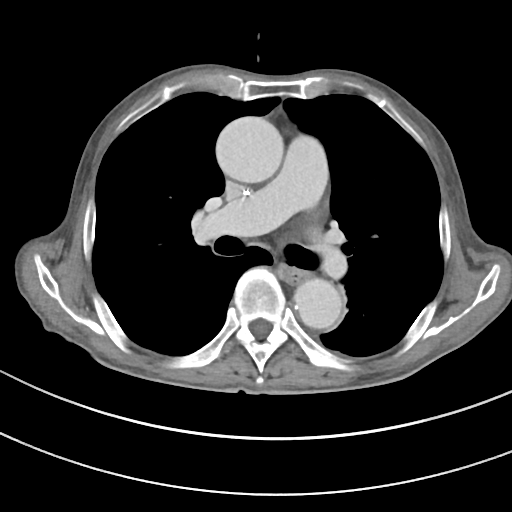 Chest-level CT slice, above the liver and spleen; Axial slice 94/122; soft-tissue window; acquired on SOMATOM Force
At this level of the chest this dataset labels only the esophagus and the aorta, and each is boxed only where it is labeled; the heart and lungs are never labeled.
One row per box, in pixels: columns x1 and y1 give the top-left corner, x2 and y2 the bottom-right.
| organ | x1 | y1 | x2 | y2 |
|---|---|---|---|---|
| esophagus | 278 | 265 | 307 | 283 |
| aorta | 215 | 116 | 283 | 182 |
| aorta | 294 | 278 | 342 | 328 |